Computed tomography, abdomen; Axial slice 81/116; soft-tissue window
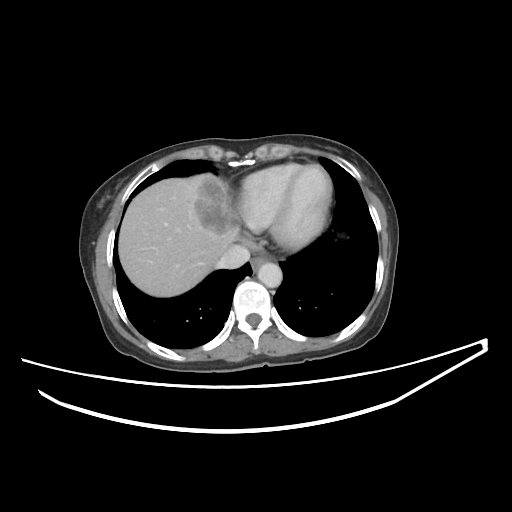 Box edges are left/top/right/bottom in pixels.
esophagus: left=250, top=256, right=267, bottom=272
liver: left=118, top=173, right=243, bottom=296
aorta: left=257, top=262, right=282, bottom=287
inferior vena cava: left=215, top=244, right=249, bottom=268